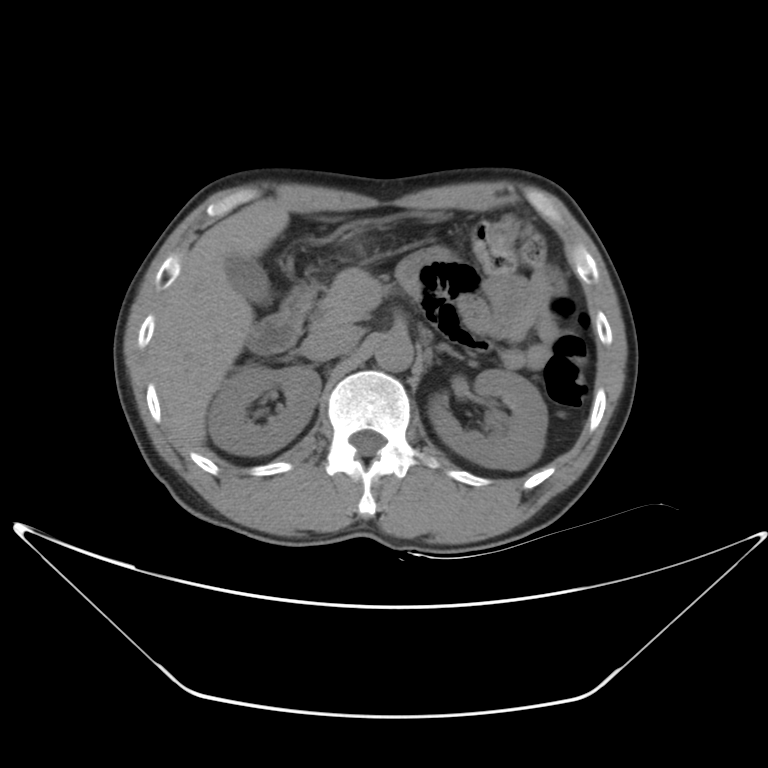

Computed tomography, abdomen. axial plane, index 68. scan has 15 labeled organs (that count is for the whole scan; organs this slice misses have no box)
Box edges are left/top/right/bottom in pixels.
Organ bounding boxes:
- duodenum: left=247, top=288, right=311, bottom=354
- left adrenal gland: left=438, top=341, right=464, bottom=359
- aorta: left=376, top=332, right=413, bottom=372
- liver: left=154, top=207, right=288, bottom=447
- right kidney: left=208, top=365, right=323, bottom=453
- pancreas: left=308, top=267, right=383, bottom=323
- inferior vena cava: left=300, top=322, right=365, bottom=361
- gall bladder: left=227, top=257, right=272, bottom=304
- left kidney: left=429, top=368, right=546, bottom=470